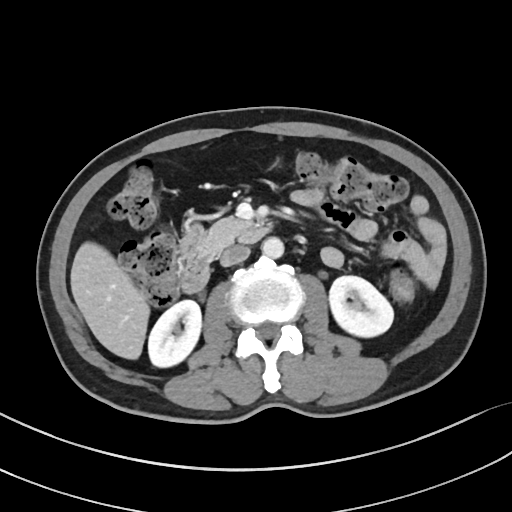

CT, abdomen/pelvis — Axial slice 55/128 — soft-tissue window
Boxes are (x1, y1, x2, y2) in pixels.
Organ bounding boxes:
- right kidney: (148, 300, 201, 367)
- left kidney: (329, 276, 393, 337)
- liver: (70, 242, 149, 359)
- aorta: (261, 237, 283, 258)
- inferior vena cava: (220, 244, 250, 266)
- pancreas: (184, 216, 247, 258)
- duodenum: (179, 224, 270, 293)